Abdominal CT — Axial slice 47/82 — W/L 400/40 HU — 55-year-old male patient — acquired on Brilliance16
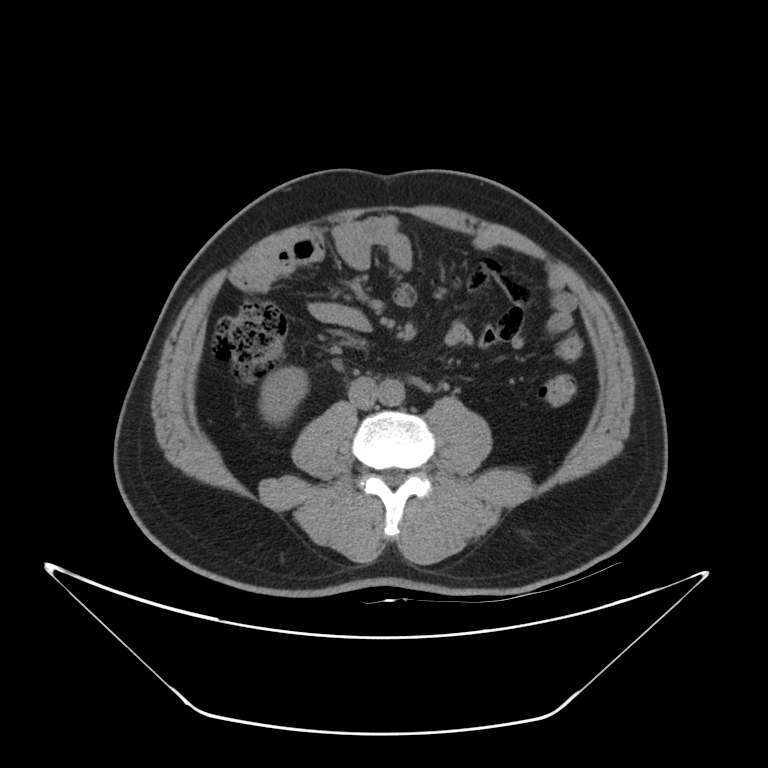

{"organs":{"right kidney":[259,367,307,422],"aorta":[378,379,404,405],"inferior vena cava":[348,377,377,408]}}